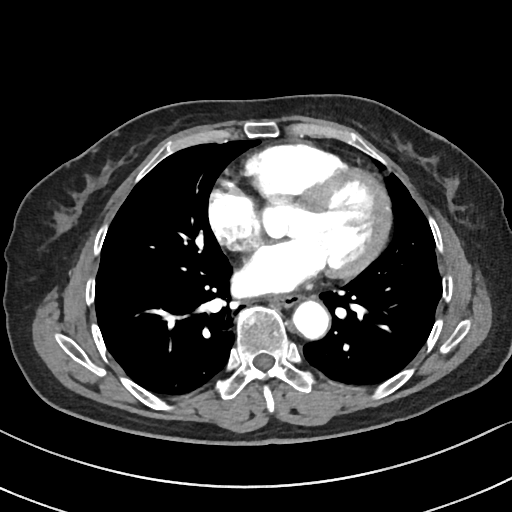 CT of the abdomen reaching into the lower chest, slice just above the liver and spleen — axial view — soft-tissue window — 512x512 px
Of the structures in the chest, this dataset labels only the esophagus, the aorta and the inferior vena cava; the heart and lungs have no label.
Bounding boxes as [x1, y1, x2, y2] in pixel coordinates.
esophagus: [273, 295, 302, 307]
aorta: [293, 302, 329, 340]